Abdominal CT · axial view · acquired on SOMATOM Force · scan has 14 labeled organs (that count is for the whole scan; organs this slice misses have no box)
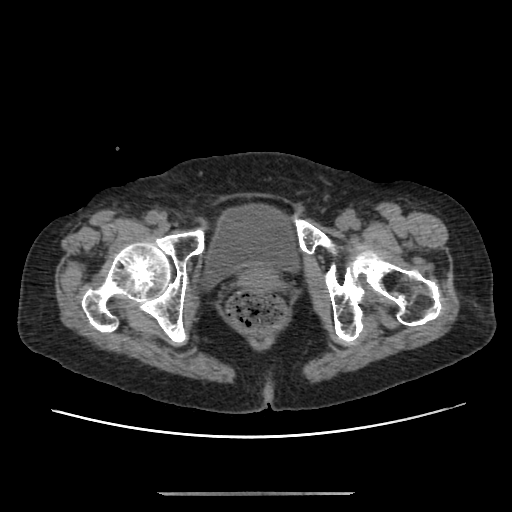
Each box given as x1,y1,x2,y2. 2 labeled organs on this slice — bladder at x1=200, y1=202, x2=301, y2=288; prostate/uterus at x1=238, y1=265, x2=280, y2=288.